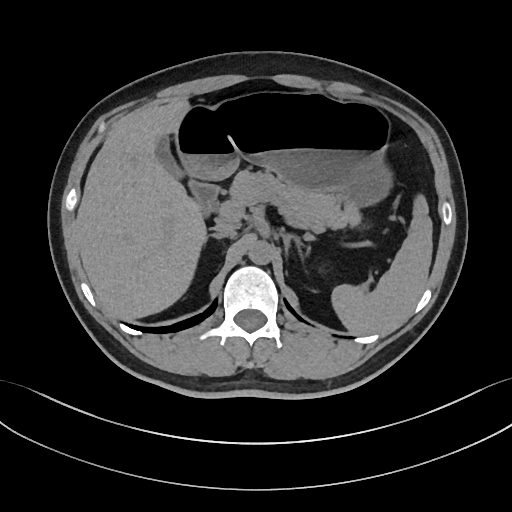 CT abdomen. axial view. soft-tissue window. 512x512 px
Boxes are (x1, y1, x2, y2) in pixels. 10 labeled organs on this slice — aorta at (248, 240, 272, 264); duodenum at (189, 181, 218, 213); gall bladder at (155, 136, 183, 178); spleen at (331, 194, 432, 334); inferior vena cava at (212, 223, 236, 237); stomach at (175, 89, 392, 205); right adrenal gland at (209, 232, 220, 238); left adrenal gland at (280, 228, 303, 258); pancreas at (229, 170, 361, 231); liver at (75, 99, 206, 319).